Computed tomography, abdomen · Axial slice 151/280 · abdomen soft-tissue window
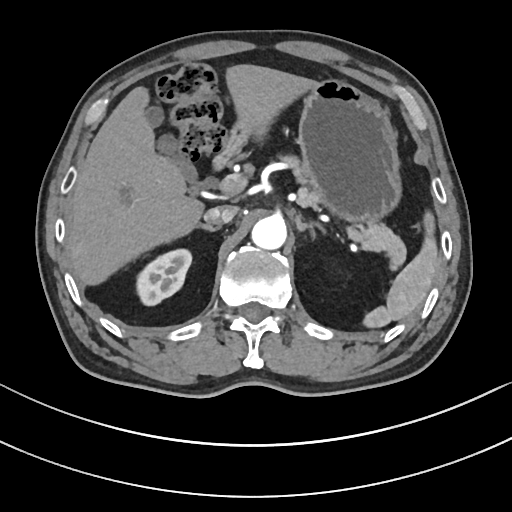
Boxes: x1:y1:x2:y2 in pixels.
spleen: 363:212:438:329
right kidney: 135:249:190:304
gall bladder: 146:107:194:178
liver: 67:64:317:287
stomach: 297:81:401:223
aorta: 251:217:286:250
inferior vena cava: 203:206:236:225
pancreas: 282:156:406:270
right adrenal gland: 198:225:220:231
left adrenal gland: 295:215:323:238
duodenum: 213:122:248:169